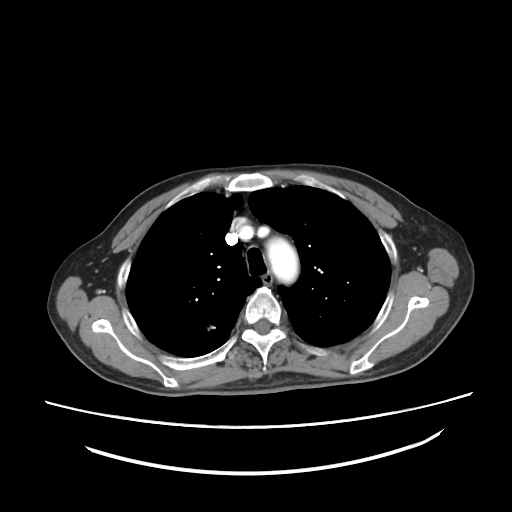 Chest-level slice from an abdominal CT that extends up into the chest · axial view · W/L 400/40 HU · 68-year-old male patient
At this level of the chest this dataset labels only the esophagus and the aorta, and each is boxed only where it is labeled; the heart and lungs are never labeled.
Box edges are left/top/right/bottom in pixels.
Organ bounding boxes:
- esophagus: left=262, top=273, right=272, bottom=285
- aorta: left=266, top=237, right=298, bottom=283